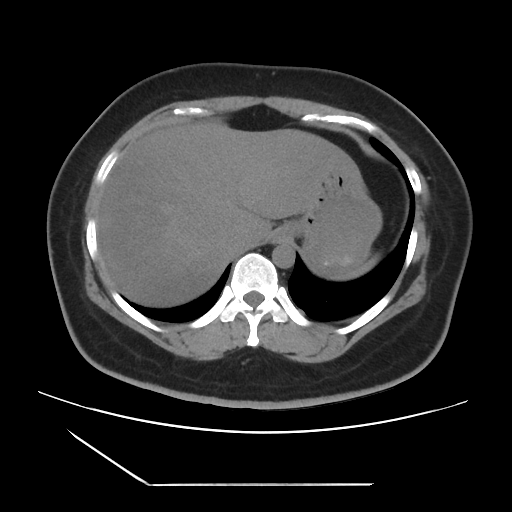 CT, abdomen/pelvis · Axial slice 75/88 · W/L 400/40 HU · scan has 15 labeled organs (a whole-scan count: organs this slice does not pass through have no box)
{"organs":{"spleen":[335,255,378,279],"esophagus":[273,226,289,241],"liver":[97,121,357,306],"stomach":[282,169,382,278],"aorta":[272,242,294,268],"inferior vena cava":[226,235,244,251]}}